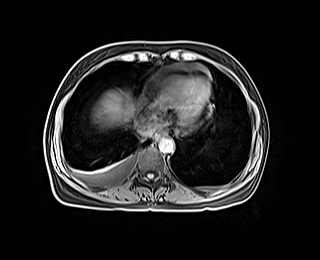
Abdominal MR — axial plane, index 65 — percentile-normalized — acquired on Prisma
Organ boxes in pixel coordinates; each row gives the top-left (x1, y1) and bottom-right (x2, y2) corners.
| organ | x1 | y1 | x2 | y2 |
|---|---|---|---|---|
| esophagus | 155 | 131 | 166 | 139 |
| liver | 93 | 90 | 133 | 127 |
| aorta | 158 | 137 | 173 | 153 |
| inferior vena cava | 134 | 119 | 154 | 136 |